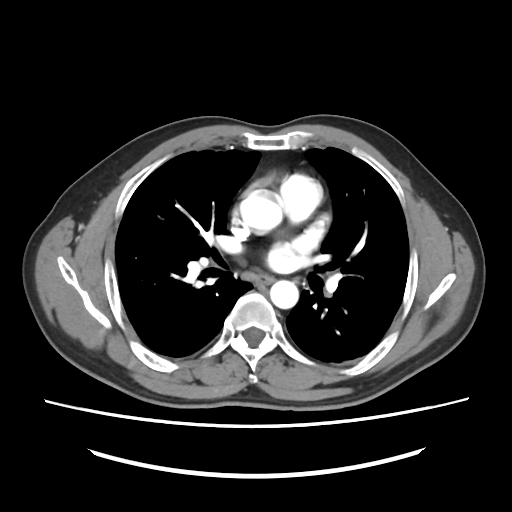

Abdominal CT reaching into the chest; this slice is in the chest; axial plane, index 106; soft-tissue window; scan has 15 labeled organs (that count is for the whole scan; organs this slice misses have no box)
At this level of the chest this dataset labels only the esophagus and the aorta, and each is boxed only where it is labeled; the heart and lungs are never labeled.
Each box given as x1,y1,x2,y2.
esophagus: x1=256, y1=275, x2=273, y2=284
aorta: x1=240, y1=189, x2=282, y2=234
aorta: x1=270, y1=280, x2=298, y2=308